Abdominal CT; Axial slice 124/265; soft-tissue window; 512x512 px
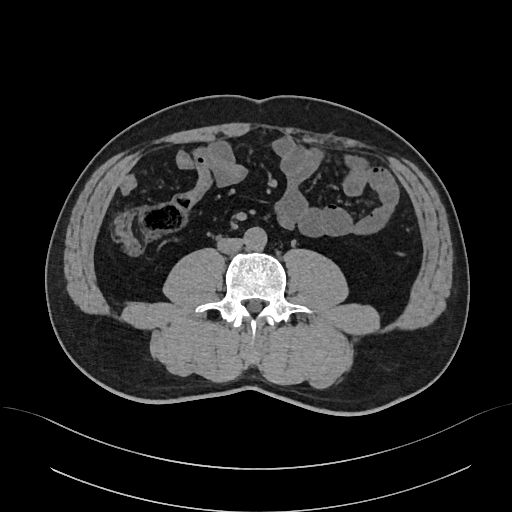
<organs><organ name="aorta" x1="243" y1="227" x2="266" y2="250"/><organ name="inferior vena cava" x1="217" y1="238" x2="243" y2="253"/></organs>